Abdominal CT reaching into the chest; this slice is in the chest · axial view
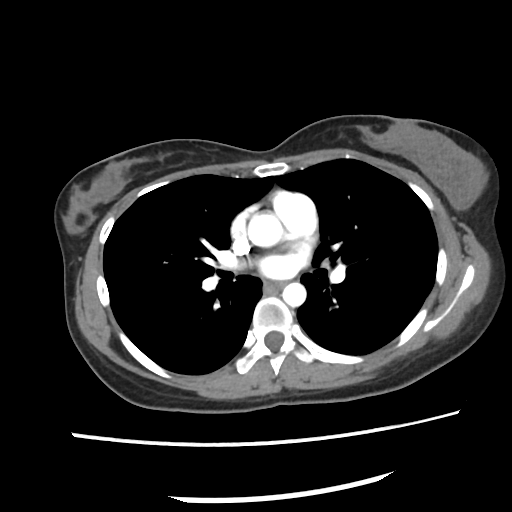

On a slice this high in the chest, this dataset labels only the esophagus and the aorta, and each is boxed only where it is labeled; the heart, lungs and other chest structures are not labeled.
{"organs":{"esophagus":[270,280,285,289],"aorta":[[246,211,282,247],[281,282,306,306]]}}